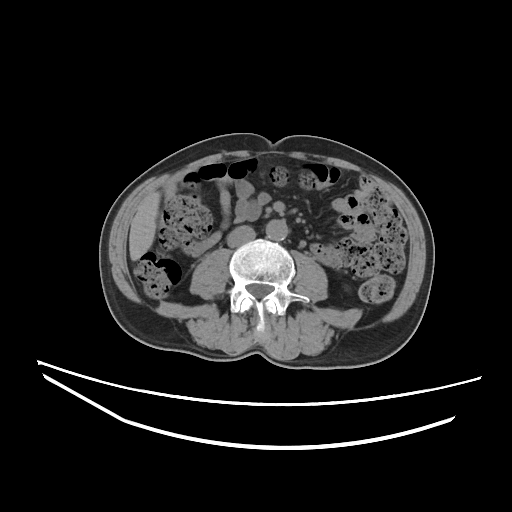
Computed tomography, abdomen; axial plane, index 53; 68-year-old male patient
Boxes: x1 y1 x2 y2 (pixel coords, space-separated). The annotated organs in this slice are: liver at 129 192 160 260, inferior vena cava at 227 225 255 247, aorta at 266 219 288 241.